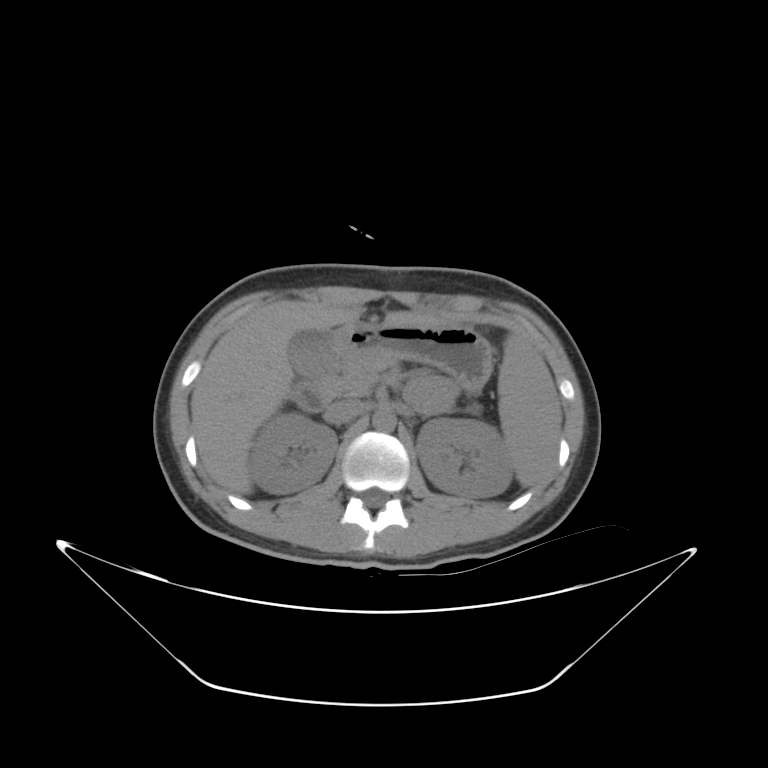

CT, abdomen/pelvis · axial plane, index 71 · soft-tissue window (W 400 / L 40)
{"organs":{"left kidney":[417,416,510,497],"stomach":[333,321,491,391],"liver":[191,304,445,496],"inferior vena cava":[324,399,365,424],"pancreas":[311,352,396,394],"spleen":[497,336,558,487],"right kidney":[250,415,336,492],"aorta":[372,411,395,432],"gall bladder":[284,328,338,379],"duodenum":[292,382,329,414]}}